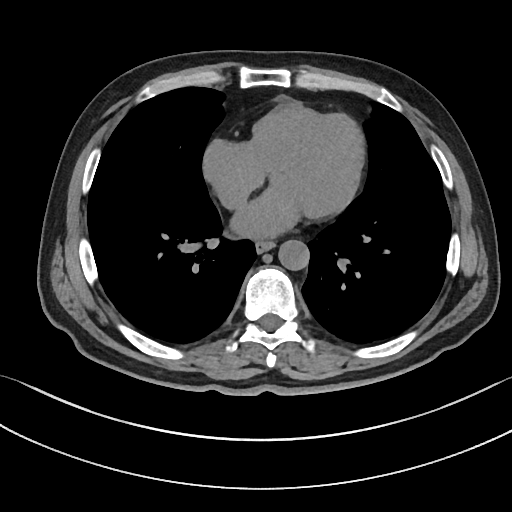 Abdominal CT; this slice is in the lower chest, just above the liver. Axial slice 227/231
Of the structures in the chest, this dataset labels only the esophagus, the aorta and the inferior vena cava; the heart and lungs have no label.
<organs><organ name="esophagus" x1="255" y1="241" x2="274" y2="253"/><organ name="aorta" x1="278" y1="240" x2="309" y2="270"/></organs>